Abdominal CT reaching into the chest; this slice is in the chest — axial view — 512x512 px
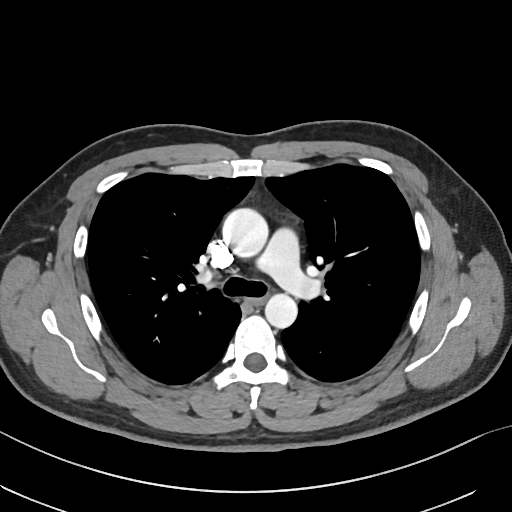
At this level of the chest no structure but the esophagus and the aorta has a label in this dataset, and those two are boxed only where they are labeled.
Boxes: x1:y1:x2:y2 in pixels.
esophagus: 252:294:265:304
aorta: 223:208:268:258
aorta: 265:291:297:327